CT, abdomen/pelvis · axial view
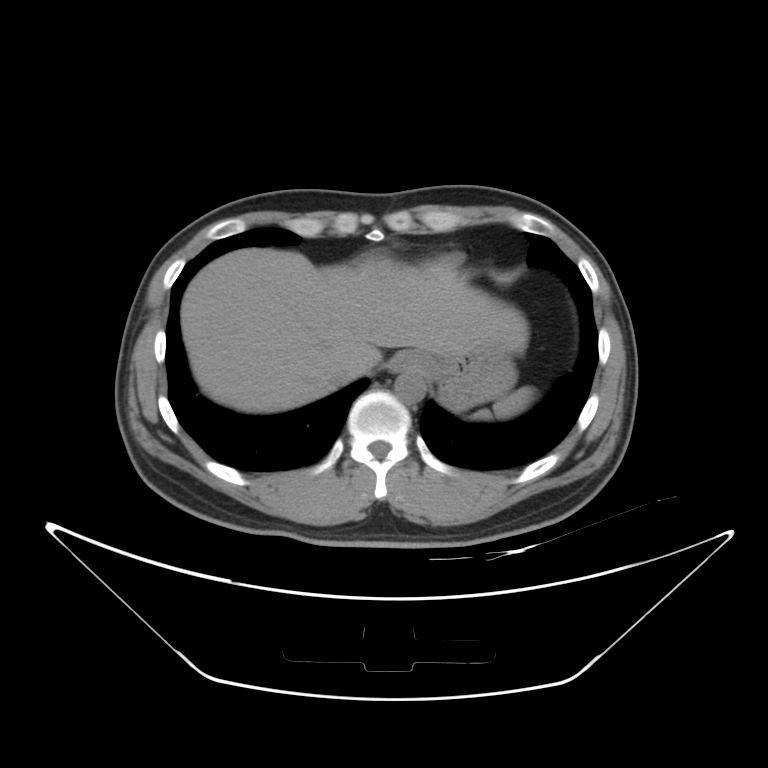 Boxes: x1:y1:x2:y2 in pixels. The annotated organs in this slice are: spleen at 472:386:537:420, esophagus at 386:351:429:373, liver at 181:248:527:412, stomach at 429:343:517:411, aorta at 395:372:425:403, inferior vena cava at 325:355:359:385.